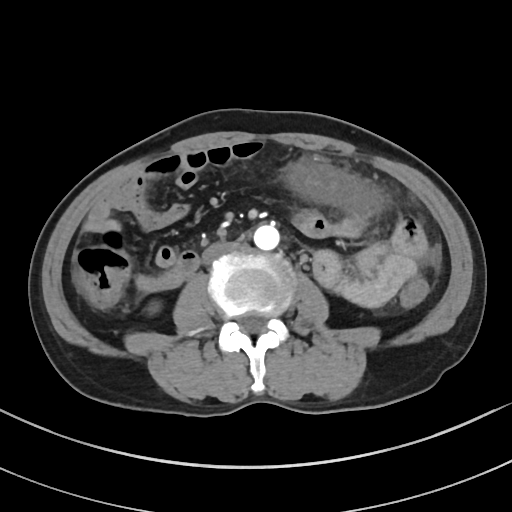 Abdominal CT. axial view. W/L 400/40 HU. 512x512 px. SOMATOM Force scanner
Organ boxes in pixel coordinates; each row gives the top-left (x1, y1) and bottom-right (x2, y2) corners.
| organ | x1 | y1 | x2 | y2 |
|---|---|---|---|---|
| right kidney | 150 | 304 | 157 | 311 |
| aorta | 253 | 224 | 279 | 250 |
| inferior vena cava | 202 | 241 | 238 | 263 |